CT abdomen. axial view. abdomen soft-tissue window. 512x512 px. acquired on Aquilion ONE. scan has 15 labeled organs (a whole-scan count: organs this slice does not pass through have no box)
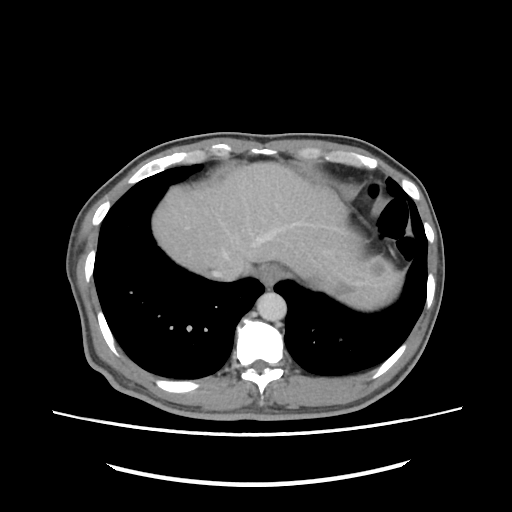
Organ boxes in pixel coordinates; each row gives the top-left (x1, y1) and bottom-right (x2, y2) corners.
| organ | x1 | y1 | x2 | y2 |
|---|---|---|---|---|
| spleen | 338 | 283 | 397 | 310 |
| esophagus | 259 | 264 | 282 | 285 |
| liver | 152 | 162 | 399 | 289 |
| aorta | 256 | 292 | 286 | 321 |
| inferior vena cava | 213 | 266 | 242 | 281 |